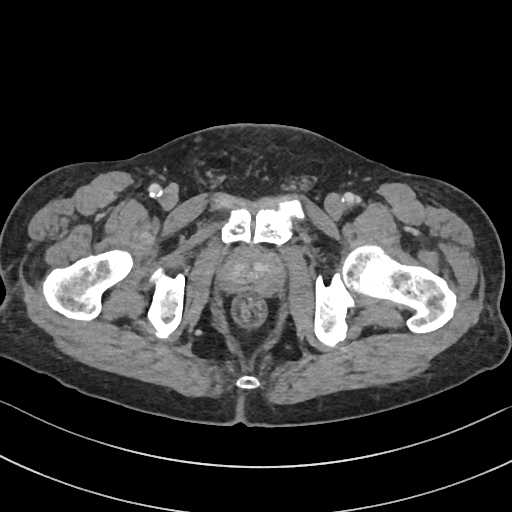 CT, abdomen/pelvis. axial view. 512x512 px
Boxes are (x1, y1, x2, y2) in pixels. 1 labeled organ on this slice — prostate/uterus at (219, 248, 284, 295).